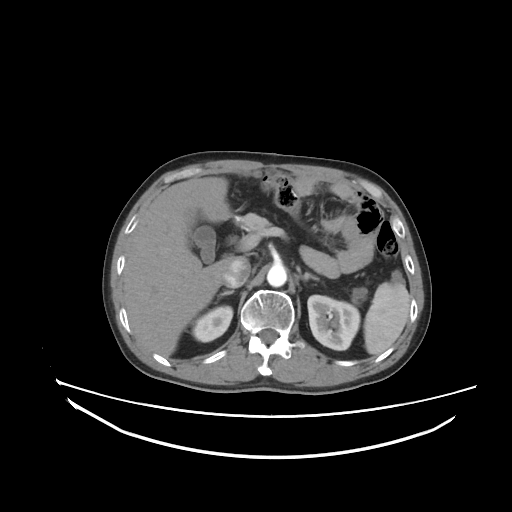 Abdominal CT · axial view · acquired on Aquilion ONE · scan has 15 labeled organs (that count is for the whole scan; organs this slice misses have no box)
One row per box, in pixels: columns x1 and y1 give the top-left corner, x2 and y2 the bottom-right.
| organ | x1 | y1 | x2 | y2 |
|---|---|---|---|---|
| left kidney | 307 | 295 | 359 | 350 |
| pancreas | 240 | 213 | 270 | 232 |
| spleen | 364 | 282 | 409 | 355 |
| right adrenal gland | 218 | 290 | 234 | 298 |
| gall bladder | 188 | 225 | 215 | 262 |
| right kidney | 191 | 306 | 232 | 341 |
| aorta | 267 | 265 | 286 | 287 |
| liver | 122 | 177 | 231 | 356 |
| left adrenal gland | 300 | 272 | 319 | 280 |
| inferior vena cava | 223 | 257 | 250 | 287 |